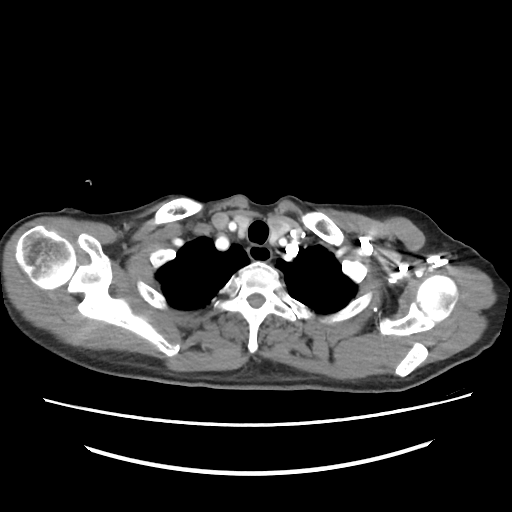
Chest-level CT slice, above the liver and spleen — axial view — acquired on Aquilion ONE
On a slice this high in the chest, this dataset labels only the esophagus and the aorta, and each is boxed only where it is labeled; the heart, lungs and other chest structures are not labeled.
<organs><organ name="esophagus" x1="247" y1="245" x2="272" y2="262"/></organs>